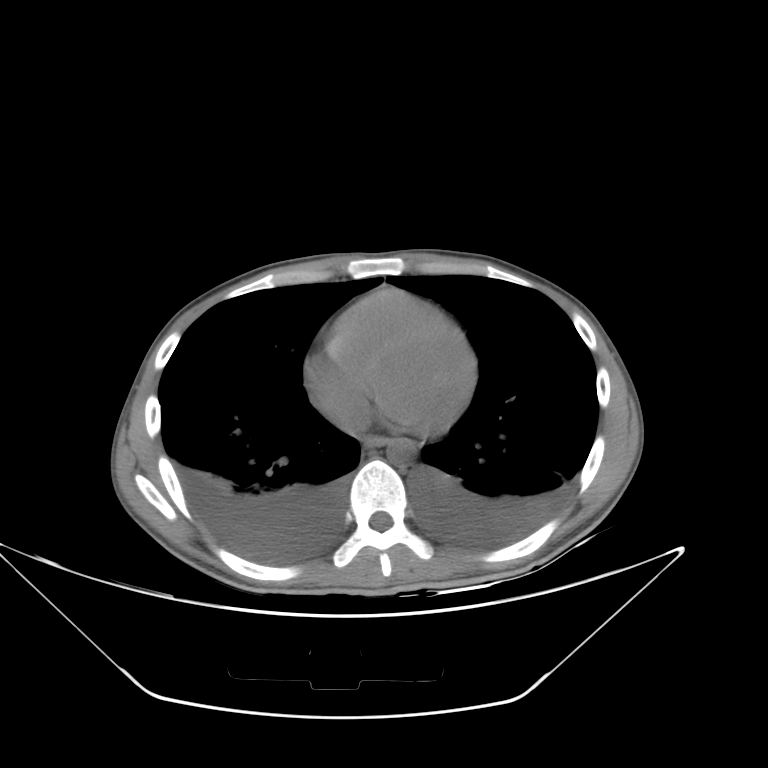

Abdominal CT; this slice is in the lower chest, just above the liver; axial view; W/L 400/40 HU; 768x768 px; 24-year-old male patient
No part of the heart or lungs is labeled in this dataset, so neither has a box here.
Coordinates as <box>x1,y1,x2,y2</box> in pixels.
esophagus: <box>363,435,390,448</box>
aorta: <box>386,437,415,464</box>